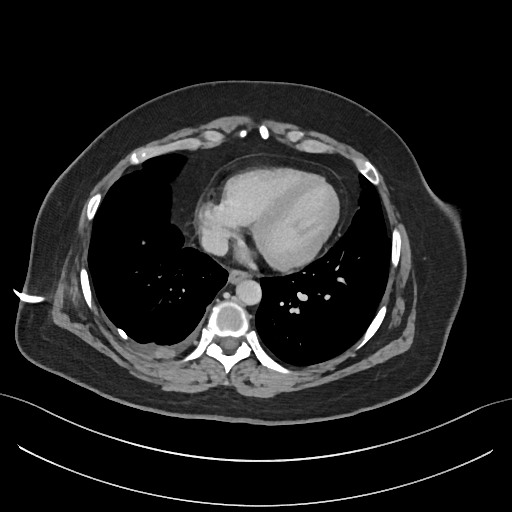 Abdominal CT; this slice is in the lower chest, just above the liver · axial view · W/L 400/40 HU · scan has 15 labeled organs (counted over the whole 3D scan, not this slice; an organ is boxed only where this slice passes through it)
Of the structures in the chest, this dataset labels only the esophagus, the aorta and the inferior vena cava; the heart and lungs have no label.
Each box given as x1,y1,x2,y2.
Organ bounding boxes:
- esophagus: x1=228, y1=270, x2=249, y2=284
- aorta: x1=236, y1=280, x2=261, y2=304
- inferior vena cava: x1=201, y1=230, x2=227, y2=255